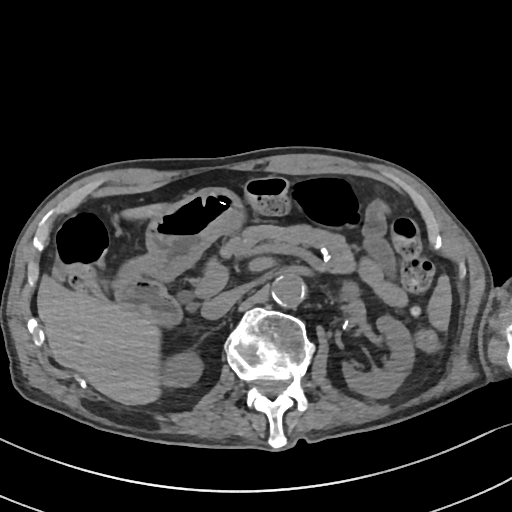
Computed tomography, abdomen — axial view — soft-tissue window (W 400 / L 40)
Boxes: x1:y1:x2:y2 in pixels.
left kidney: 340:316:413:397
inferior vena cava: 200:291:236:319
pancreas: 222:225:357:274
liver: 37:201:174:405
duodenum: 120:278:179:321
aorta: 271:273:305:308
right kidney: 163:354:200:387
stomach: 121:187:243:281
spleen: 427:277:452:329